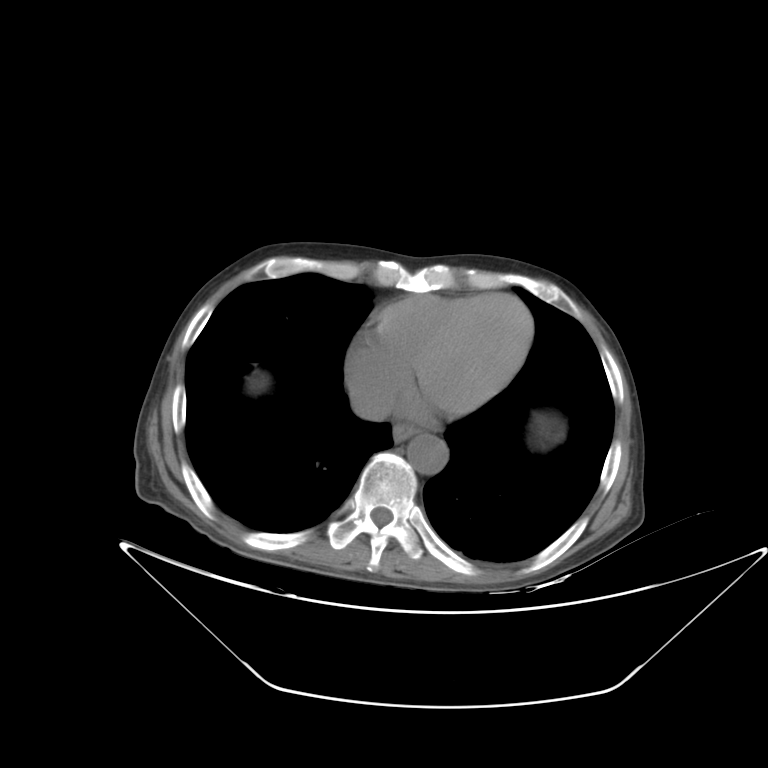

Lower-chest slice from an abdominal CT, just above the liver and spleen · axial plane, index 90
The heart and lungs are never labeled in this dataset, so they have no box on this slice.
Boxes: x1 y1 x2 y2 (pixel coords, space-separated).
esophagus: 392 424 416 442
aorta: 407 434 447 474
inferior vena cava: 350 389 393 421